Computed tomography, abdomen · axial view
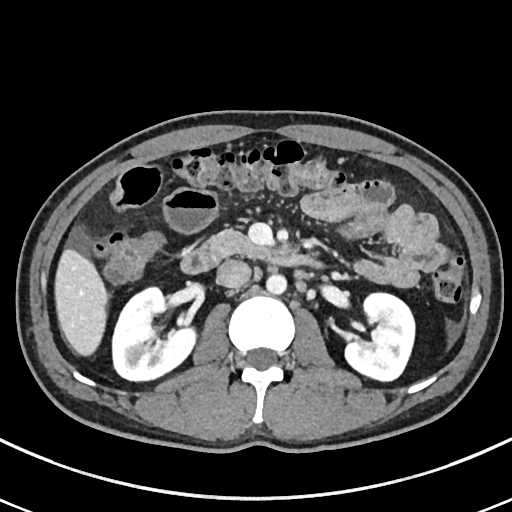
Boxes: x1 y1 x2 y2 (pixel coords, space-separated).
left kidney: 345 293 415 380
inferior vena cava: 216 260 251 288
aorta: 266 273 286 294
pancreas: 207 228 259 256
duodenum: 181 246 322 272
liver: 55 250 106 356
right kidney: 111 287 195 380